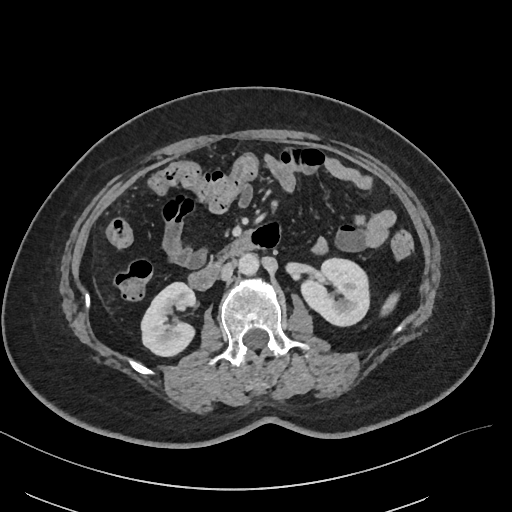

CT abdomen · Axial slice 149/244 · abdomen soft-tissue window · 512x512 px
Boxes are (x1, y1, x2, y2) in pixels. The annotated organs in this slice are: inferior vena cava at (220, 262, 234, 280), aorta at (238, 253, 259, 274), left kidney at (301, 258, 369, 325), spleen at (381, 292, 398, 315), duodenum at (188, 243, 253, 289), right kidney at (141, 282, 195, 356).